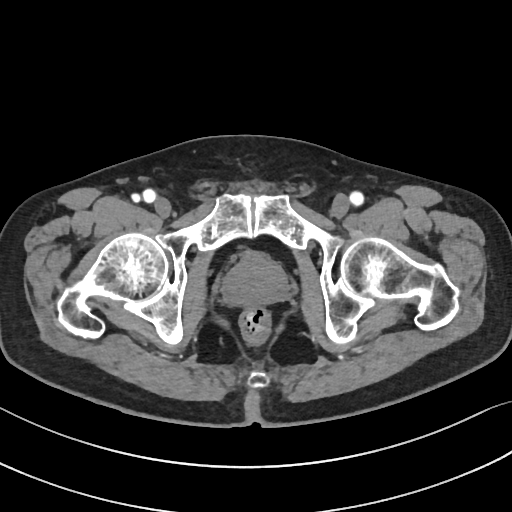
CT, abdomen/pelvis; axial view; soft-tissue window (W 400 / L 40); 512x512 px; SOMATOM Force scanner; 15 organs annotated in this scan (that count is for the whole scan; organs this slice misses have no box)
{"organs":{"prostate/uterus":[222,254,287,306]}}